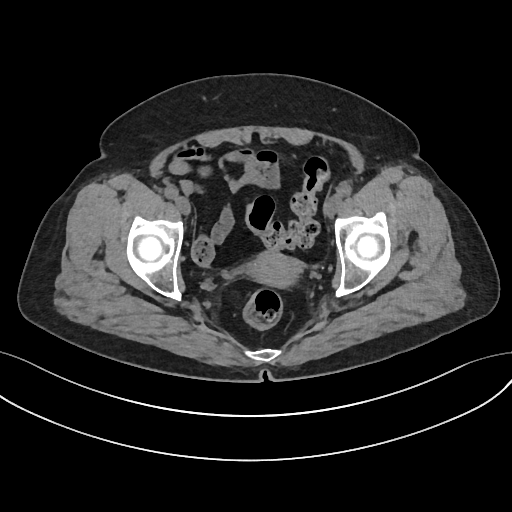 Computed tomography, abdomen. axial view. soft-tissue window (W 400 / L 40). 15 organs annotated in this scan (a whole-scan count: organs this slice does not pass through have no box)
<organs><organ name="prostate/uterus" x1="246" y1="253" x2="304" y2="286"/></organs>